CT, abdomen/pelvis; Axial slice 57/78
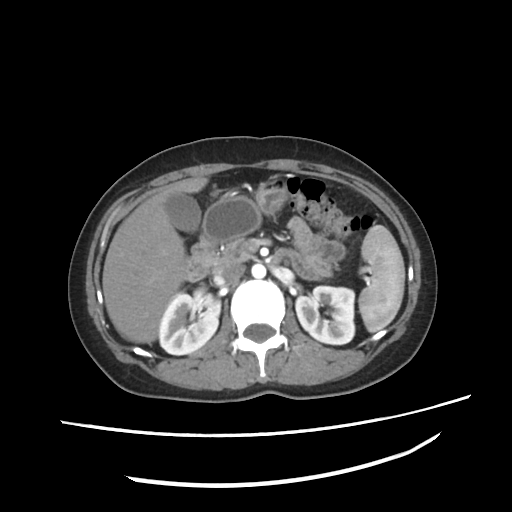
One row per box, in pixels: columns x1 and y1 give the top-left corner, x2 and y2 the bottom-right.
| organ | x1 | y1 | x2 | y2 |
|---|---|---|---|---|
| gall bladder | 166 | 194 | 200 | 231 |
| right kidney | 159 | 288 | 219 | 354 |
| inferior vena cava | 214 | 261 | 246 | 283 |
| duodenum | 182 | 234 | 285 | 280 |
| pancreas | 211 | 238 | 254 | 269 |
| spleen | 358 | 223 | 405 | 333 |
| left kidney | 295 | 286 | 353 | 345 |
| aorta | 251 | 263 | 265 | 277 |
| stomach | 204 | 177 | 286 | 242 |
| liver | 101 | 177 | 206 | 343 |